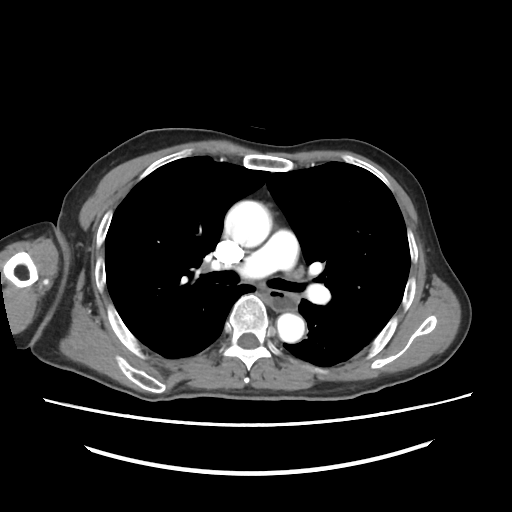
CT of the abdomen extending into the chest, slice through the chest. axial view
At this level of the chest this dataset labels only the esophagus and the aorta, and each is boxed only where it is labeled; the heart and lungs are never labeled.
Bounding boxes in pixels, one row per box: x1, y1 is the top-left corner and x2, y2 the bottom-right.
| organ | x1 | y1 | x2 | y2 |
|---|---|---|---|---|
| esophagus | 266 | 291 | 300 | 311 |
| aorta | 222 | 199 | 271 | 246 |
| aorta | 273 | 311 | 307 | 344 |